Computed tomography, abdomen · axial view
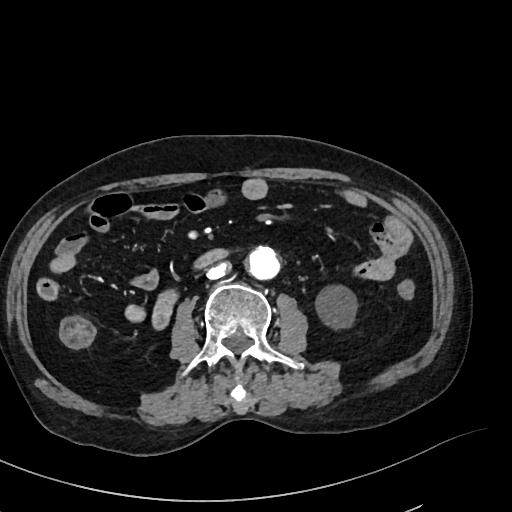

Organ boxes in pixel coordinates; each row gives the top-left (x1, y1) and bottom-right (x2, y2) corners.
| organ | x1 | y1 | x2 | y2 |
|---|---|---|---|---|
| left kidney | 317 | 287 | 355 | 327 |
| aorta | 248 | 245 | 279 | 279 |
| inferior vena cava | 207 | 262 | 229 | 278 |
| duodenum | 154 | 249 | 228 | 327 |